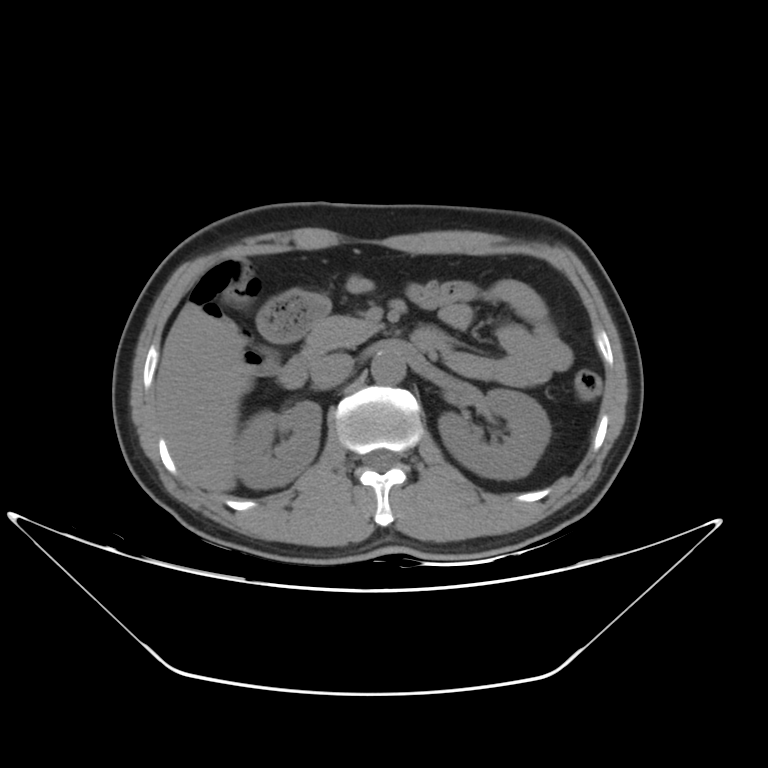

Abdominal CT. axial view. 53-year-old male patient. Brilliance16 scanner. 15 organs annotated in this scan (counted over the whole 3D scan, not this slice; an organ is boxed only where this slice passes through it)
Organ boxes in pixel coordinates; each row gives the top-left (x1, y1) and bottom-right (x2, y2) corners.
| organ | x1 | y1 | x2 | y2 |
|---|---|---|---|---|
| right kidney | 235 | 399 | 322 | 486 |
| liver | 156 | 301 | 244 | 495 |
| inferior vena cava | 310 | 352 | 353 | 390 |
| aorta | 372 | 350 | 405 | 382 |
| duodenum | 279 | 324 | 453 | 386 |
| left kidney | 437 | 390 | 548 | 477 |
| pancreas | 323 | 316 | 385 | 347 |